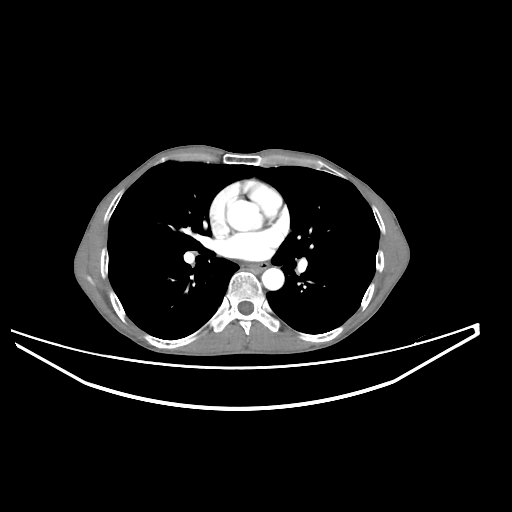 CT of the abdomen extending into the chest, slice through the chest; axial view; soft-tissue window, W/L 400/40; 512x512 px; 60-year-old male patient
At this level of the chest no structure but the esophagus and the aorta has a label in this dataset, and those two are boxed only where they are labeled. Boxes: x1 y1 x2 y2 (pixel coords, space-separated). Labeled organs on this slice: esophagus at 250 263 266 272, aorta at 227 200 262 230, aorta at 261 268 284 290.